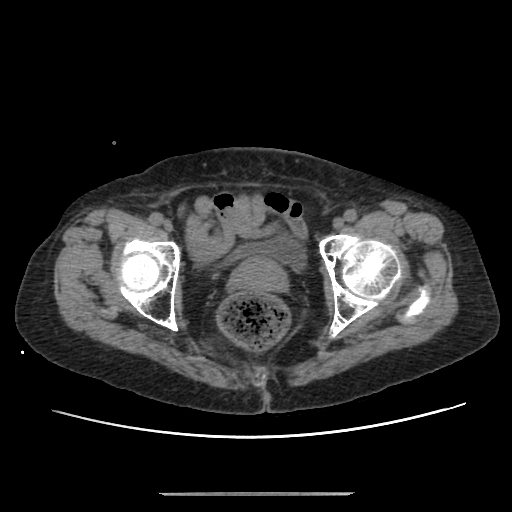

CT abdomen; axial view; abdomen soft-tissue window; acquired on SOMATOM Force; scan has 14 labeled organs (counted over the whole 3D scan, not this slice; an organ is boxed only where this slice passes through it)
Each box given as x1,y1,x2,y2. The annotated organs in this slice are: bladder at x1=229, y1=232, x2=306, y2=270, prostate/uterus at x1=230, y1=256, x2=287, y2=291.